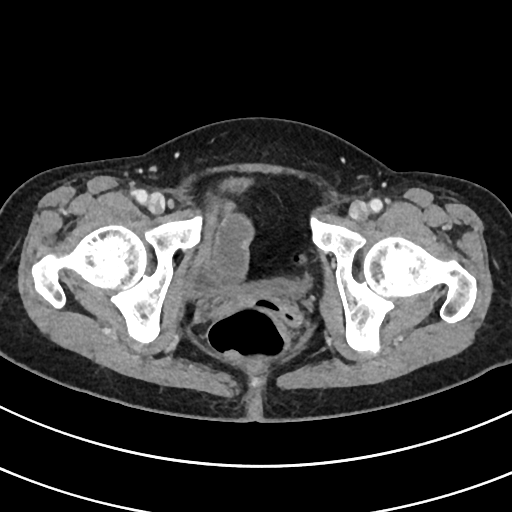
Computed tomography, abdomen · axial view
Bounding boxes in pixels, one row per box: x1, y1 is the top-left corner and x2, y2 the bottom-right.
| organ | x1 | y1 | x2 | y2 |
|---|---|---|---|---|
| bladder | 184 | 178 | 307 | 296 |